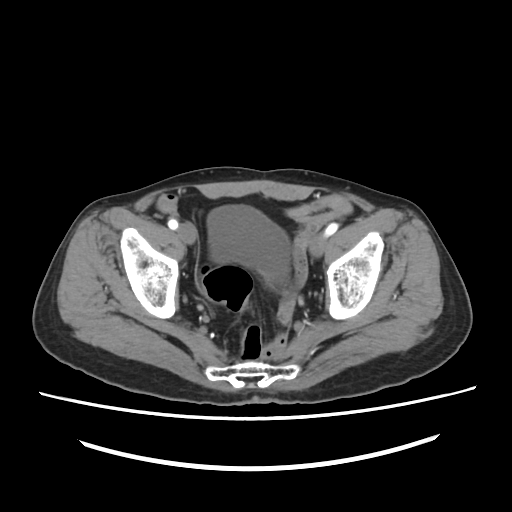 Computed tomography, abdomen — axial view — abdomen soft-tissue window — 512x512 px — acquired on Aquilion ONE — 15 organs annotated in this scan (a whole-scan count: organs this slice does not pass through have no box)
Bounding boxes in pixels, one row per box: x1, y1 is the top-left corner and x2, y2 the bottom-right.
| organ | x1 | y1 | x2 | y2 |
|---|---|---|---|---|
| bladder | 207 | 205 | 289 | 284 |